CT, abdomen/pelvis · axial view · 15 organs annotated in this scan (a whole-scan count: organs this slice does not pass through have no box)
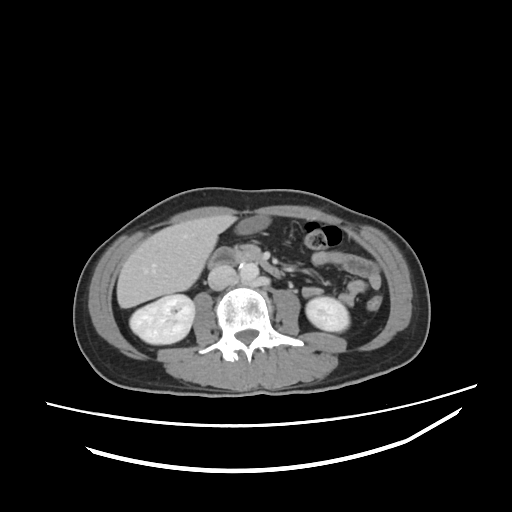
Boxes are (x1, y1, x2, y2) in pixels.
duodenum: (208, 247, 281, 277)
pancreas: (231, 243, 263, 261)
liver: (116, 214, 236, 308)
inferior vena cava: (208, 265, 236, 290)
aorta: (239, 263, 258, 281)
gall bladder: (237, 214, 267, 233)
right kidney: (129, 294, 194, 344)
left kidney: (306, 297, 349, 331)